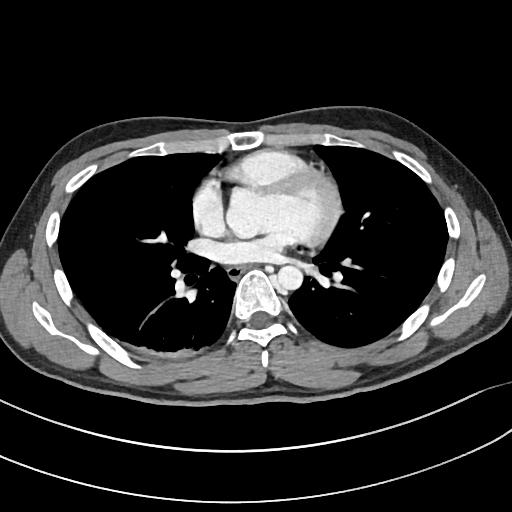
Abdominal CT; this slice is in the lower chest, just above the liver — axial view — soft-tissue window, W/L 400/40 — SOMATOM Force scanner
The heart and lungs are never labeled in this dataset, so they have no box on this slice. Boxes: x1:y1:x2:y2 in pixels. 2 labeled organs on this slice — esophagus at 229:268:246:281; aorta at 276:265:302:290.